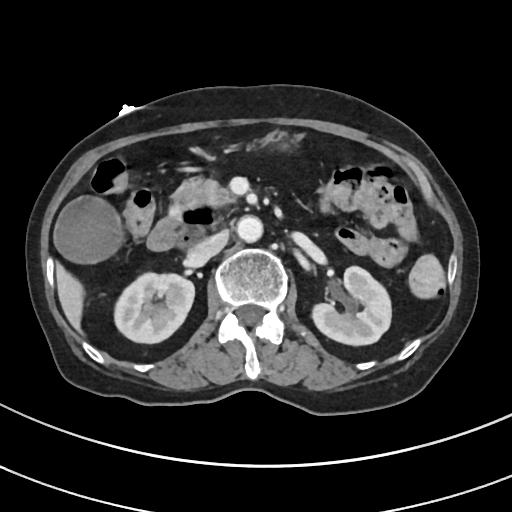

CT, abdomen/pelvis — axial plane, index 135 — 512x512 px
Each box given as x1,y1,x2,y2. 9 labeled organs on this slice — stomach at x1=260, y1=131, x2=304, y2=149; right kidney at x1=114, y1=272, x2=194, y2=343; inferior vena cava at x1=188, y1=230, x2=228, y2=263; gall bladder at x1=54, y1=197, x2=122, y2=262; pancreas at x1=168, y1=179, x2=234, y2=214; duodenum at x1=147, y1=205, x2=229, y2=250; liver at x1=55, y1=263, x2=84, y2=328; aorta at x1=237, y1=216, x2=263, y2=242; left kidney at x1=311, y1=266, x2=391, y2=345.